CT, abdomen/pelvis — axial plane, index 74 — 768x768 px — 53-year-old male patient — Brilliance16 scanner — 15 organs annotated in this scan (that count is for the whole scan; organs this slice misses have no box)
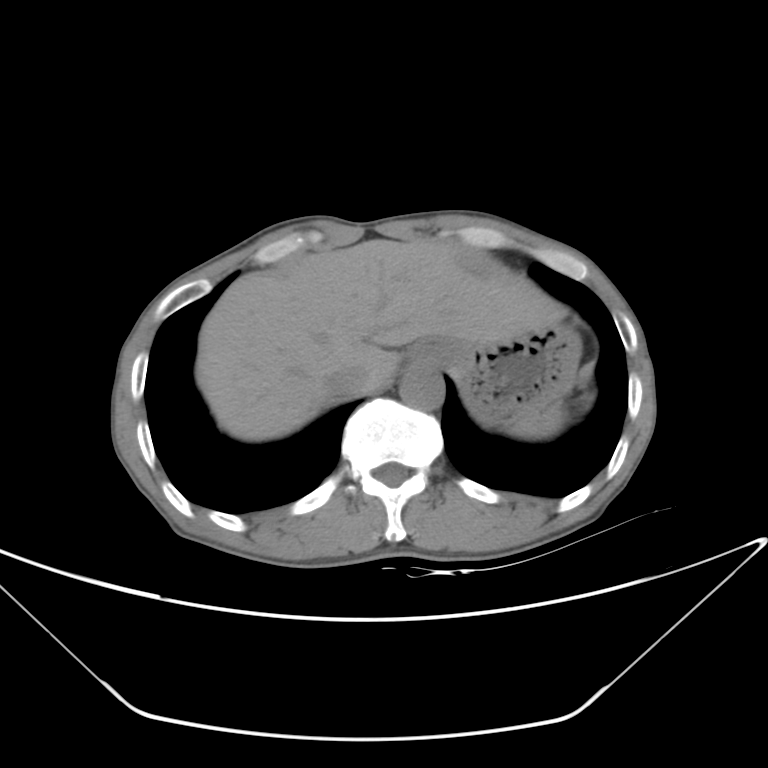

Box edges are left/top/right/bottom in pixels. 6 labeled organs on this slice — stomach at left=441, top=323, right=581, bottom=425; inferior vena cava at left=326, top=363, right=368, bottom=396; liver at left=195, top=239, right=567, bottom=441; esophagus at left=408, top=337, right=442, bottom=366; spleen at left=506, top=403, right=567, bottom=439; aorta at left=399, top=366, right=444, bottom=408.